CT abdomen · axial view · soft-tissue window (W 400 / L 40) · 15 organs annotated in this scan (counted over the whole 3D scan, not this slice; an organ is boxed only where this slice passes through it)
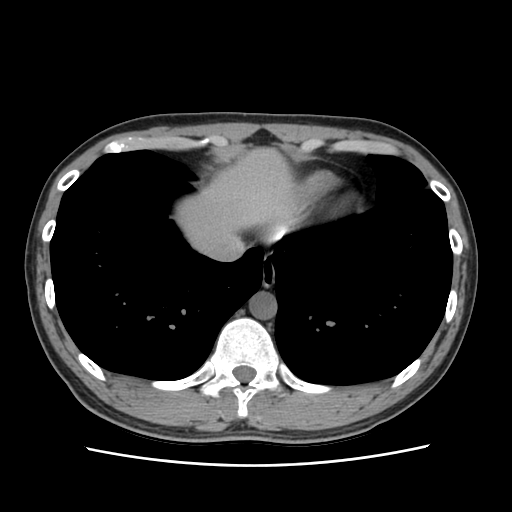 {"organs":{"liver":[176,147,298,250],"inferior vena cava":[201,232,245,261],"esophagus":[261,262,274,287],"aorta":[249,291,277,319]}}